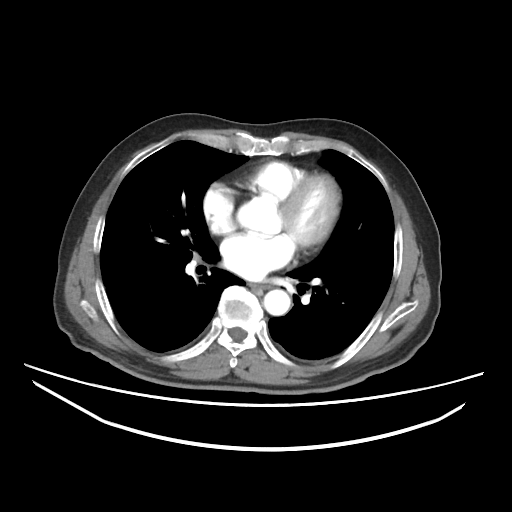

Lower-chest slice from an abdominal CT, just above the liver and spleen; axial view; soft-tissue window, W/L 400/40; 512x512 px
Of the structures in the chest, this dataset labels only the esophagus, the aorta and the inferior vena cava; the heart and lungs have no label. Boxes: x1 y1 x2 y2 (pixel coords, space-separated). 2 labeled organs on this slice — esophagus at 251 284 267 288; aorta at 263 289 290 315.